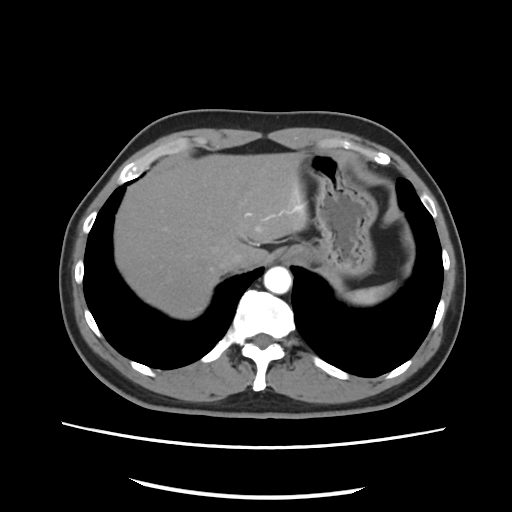 Computed tomography, abdomen — Axial slice 84/91 — abdomen soft-tissue window
Boxes: x1 y1 x2 y2 (pixel coords, space-separated). Labeled organs on this slice: aorta at 264 267 290 293, spleen at 341 282 396 304, stomach at 287 152 376 275, liver at 115 150 307 320, inferior vena cava at 218 254 251 272.